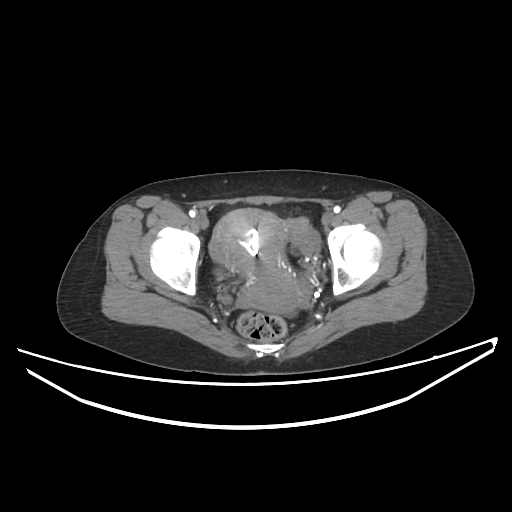

Abdominal CT — axial view — abdomen soft-tissue window — 512x512 px — 15 organs annotated in this scan (that count is for the whole scan; organs this slice misses have no box)
<organs><organ name="prostate/uterus" x1="209" y1="208" x2="306" y2="312"/></organs>